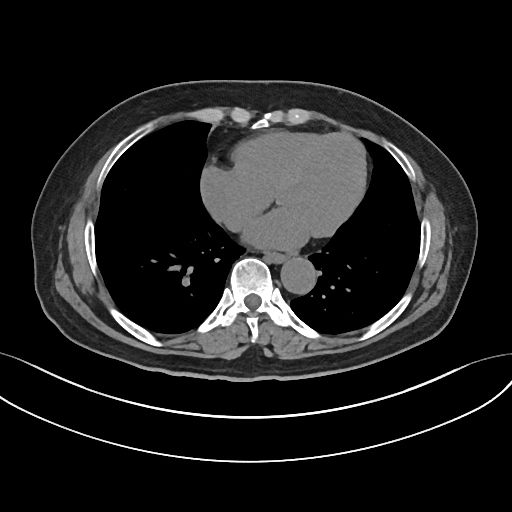

CT of the abdomen reaching into the lower chest, slice just above the liver and spleen. axial view. SOMATOM Force scanner. scan has 15 labeled organs (counted over the whole 3D scan, not this slice; an organ is boxed only where this slice passes through it)
Of the structures in the chest, this dataset labels only the esophagus, the aorta and the inferior vena cava; the heart and lungs have no label.
{"organs":{"esophagus":[265,251,286,262],"aorta":[280,257,315,294]}}